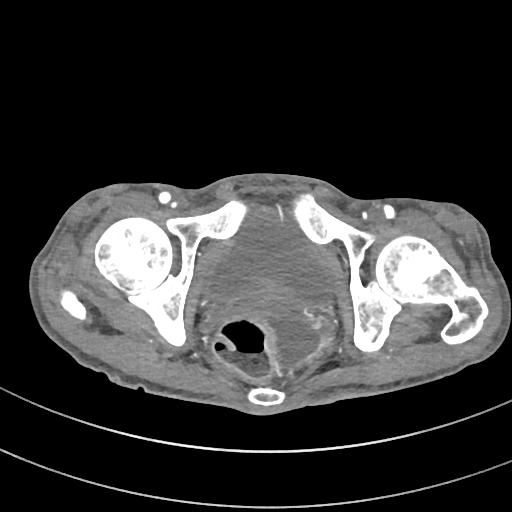
Abdominal CT · axial plane, index 12 · 512x512 px · acquired on SOMATOM Force
Boxes: x1 y1 x2 y2 (pixel coords, space-separated).
bladder: 205 208 332 300
prostate/uterus: 242 276 297 310